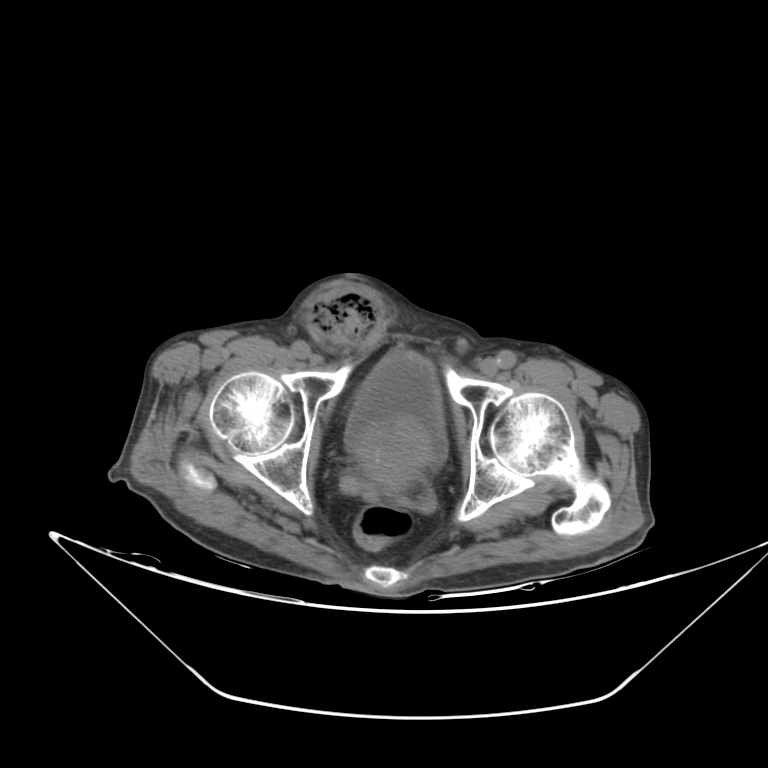
Computed tomography, abdomen. Axial slice 14/80
Bounding boxes in pixels, one row per box: x1, y1 is the top-left corner and x2, y2 the bottom-right.
| organ | x1 | y1 | x2 | y2 |
|---|---|---|---|---|
| bladder | 343 | 353 | 449 | 464 |
| prostate/uterus | 356 | 414 | 430 | 493 |